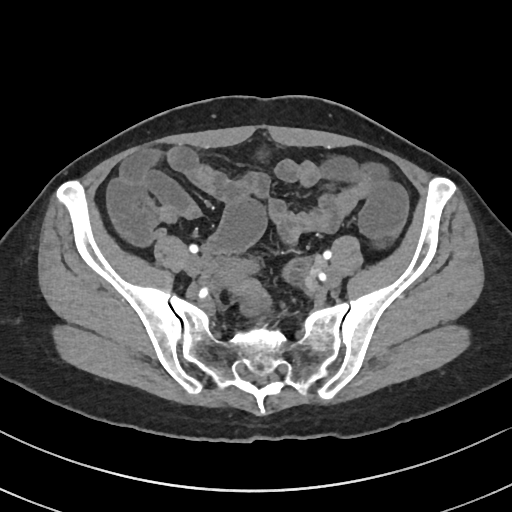
CT abdomen · axial plane, index 90 · SOMATOM Force scanner
{"organs":{"prostate/uterus":[218,259,254,284]}}